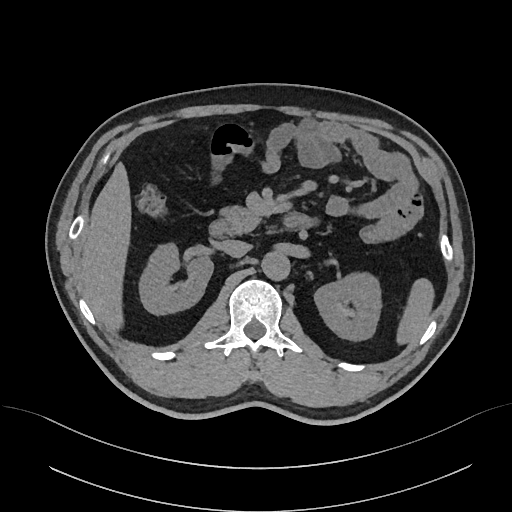
CT, abdomen/pelvis — axial view — soft-tissue window
<organs><organ name="right kidney" x1="137" y1="242" x2="213" y2="314"/><organ name="duodenum" x1="210" y1="212" x2="308" y2="238"/><organ name="left kidney" x1="314" y1="273" x2="382" y2="340"/><organ name="spleen" x1="398" y1="279" x2="432" y2="342"/><organ name="inferior vena cava" x1="220" y1="239" x2="250" y2="256"/><organ name="aorta" x1="261" y1="251" x2="289" y2="278"/><organ name="liver" x1="80" y1="163" x2="130" y2="325"/><organ name="pancreas" x1="226" y1="207" x2="263" y2="232"/></organs>